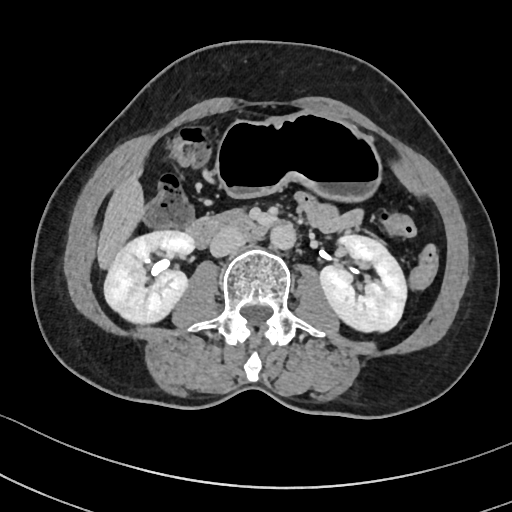 Abdominal CT — Axial slice 112/192 — abdomen soft-tissue window — 512x512 px — 15 organs annotated in this scan (that count is for the whole scan; organs this slice misses have no box)
Coordinates as <box>x1,y1,x2,y2</box> in pixels.
Organ bounding boxes:
- right kidney: <box>103,229,194,323</box>
- left kidney: <box>320,232,407,333</box>
- liver: <box>97,174,142,266</box>
- stomach: <box>217,113,379,201</box>
- aorta: <box>269,223,295,248</box>
- inferior vena cava: <box>210,228,246,255</box>
- duodenum: <box>188,211,265,246</box>